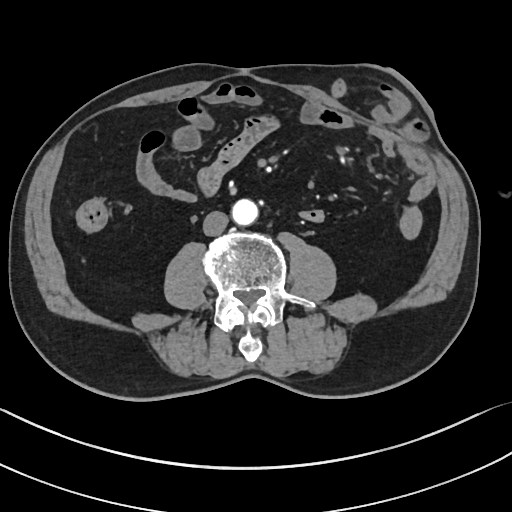 CT, abdomen/pelvis. axial view
One row per box, in pixels: columns x1 and y1 give the top-left corner, x2 and y2 the bottom-right.
| organ | x1 | y1 | x2 | y2 |
|---|---|---|---|---|
| aorta | 231 | 199 | 258 | 225 |
| inferior vena cava | 203 | 211 | 228 | 236 |